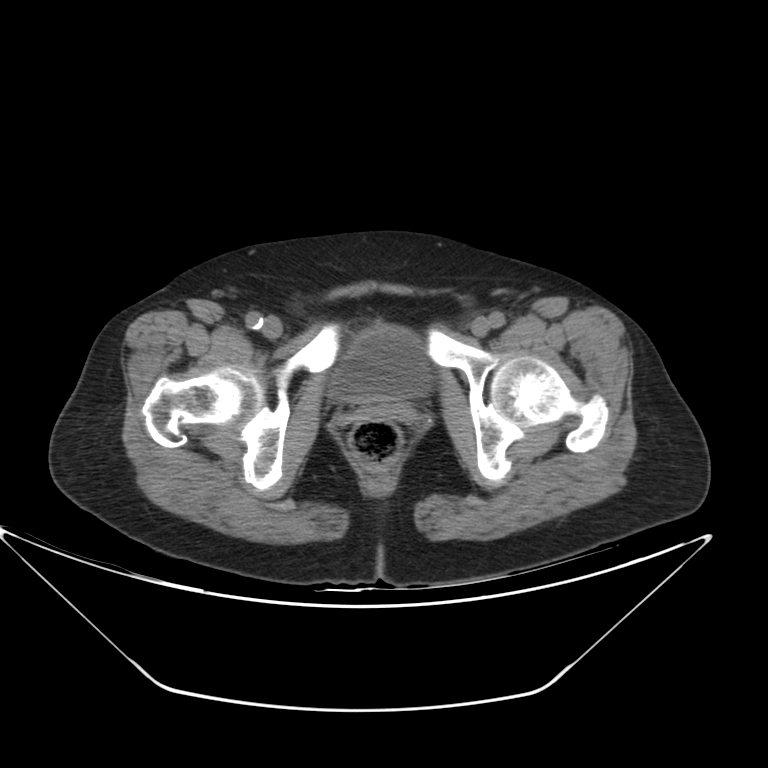
CT, abdomen/pelvis · Axial slice 14/97 · W/L 400/40 HU
{"organs":{"bladder":[331,326,429,401]}}